CT abdomen; Axial slice 10/81; W/L 400/40 HU; 512x512 px
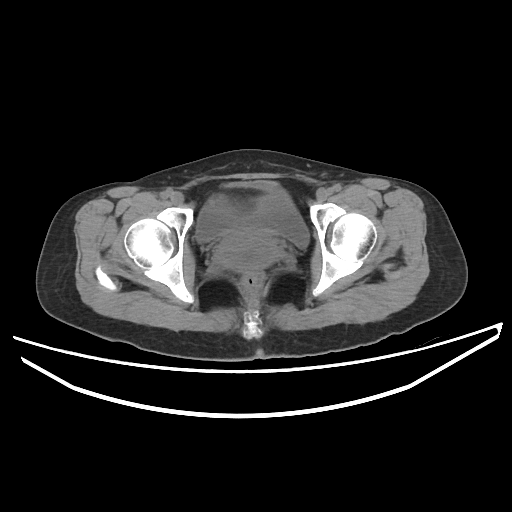 <organs><organ name="prostate/uterus" x1="215" y1="229" x2="278" y2="271"/><organ name="bladder" x1="196" y1="182" x2="309" y2="247"/></organs>